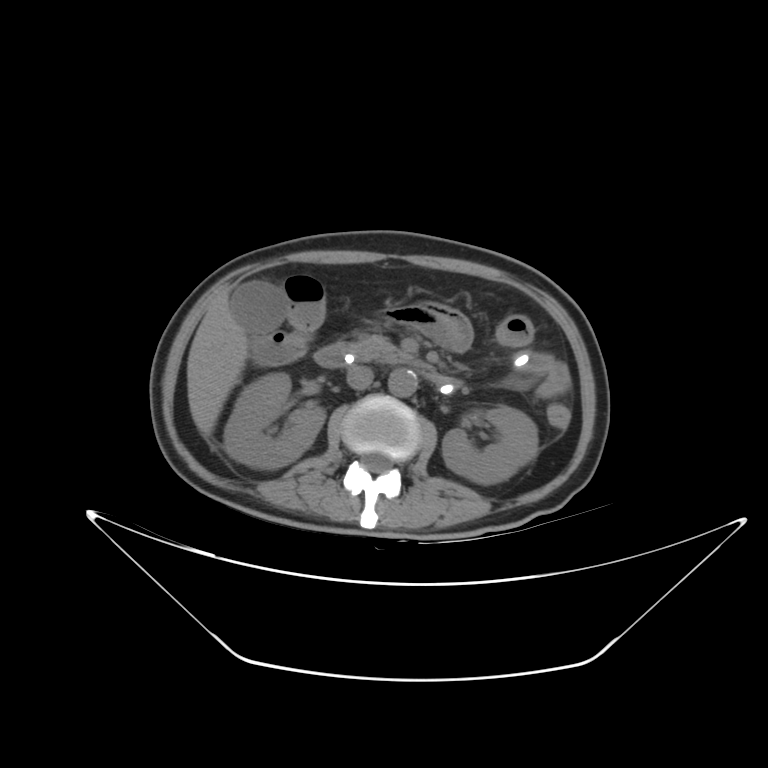
Abdominal CT · Axial slice 62/101 · 55-year-old male patient · 15 organs annotated in this scan (counted over the whole 3D scan, not this slice; an organ is boxed only where this slice passes through it)
Bounding boxes in pixels, one row per box: x1, y1 is the top-left corner and x2, y2 the bottom-right.
| organ | x1 | y1 | x2 | y2 |
|---|---|---|---|---|
| right kidney | 223 | 373 | 325 | 468 |
| left kidney | 442 | 406 | 538 | 484 |
| gall bladder | 231 | 282 | 282 | 333 |
| liver | 187 | 297 | 248 | 435 |
| aorta | 388 | 368 | 417 | 397 |
| inferior vena cava | 346 | 365 | 373 | 389 |
| pancreas | 349 | 334 | 432 | 369 |
| duodenum | 314 | 342 | 460 | 395 |